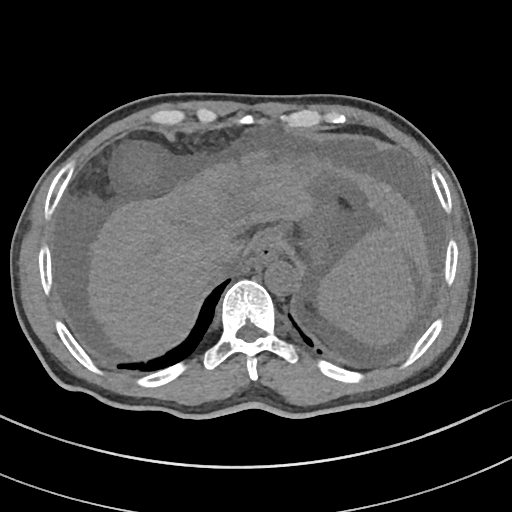
CT abdomen — axial view — soft-tissue window — 512x512 px — acquired on SOMATOM Force
Boxes are (x1, y1, x2, y2) in pixels. The annotated organs in this slice are: spleen at (317, 225, 415, 346), gall bladder at (125, 150, 159, 186), esophagus at (255, 241, 281, 262), liver at (86, 152, 431, 358), stomach at (258, 173, 349, 269), aorta at (264, 260, 298, 295), inferior vena cava at (206, 251, 237, 279).